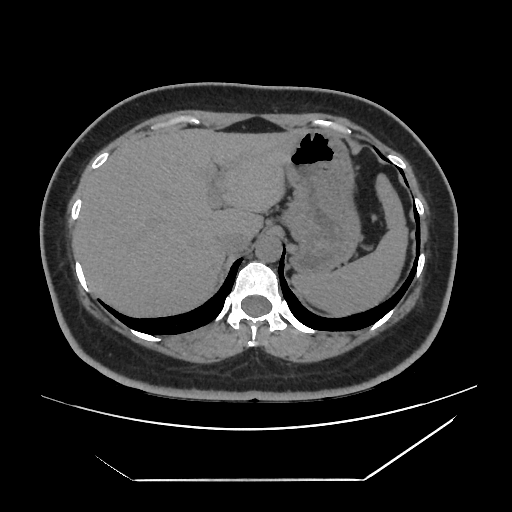

Computed tomography, abdomen; axial view
<organs><organ name="stomach" x1="283" y1="128" x2="360" y2="273"/><organ name="spleen" x1="292" y1="173" x2="408" y2="317"/><organ name="aorta" x1="255" y1="236" x2="281" y2="262"/><organ name="liver" x1="75" y1="128" x2="302" y2="317"/><organ name="inferior vena cava" x1="219" y1="232" x2="251" y2="254"/></organs>